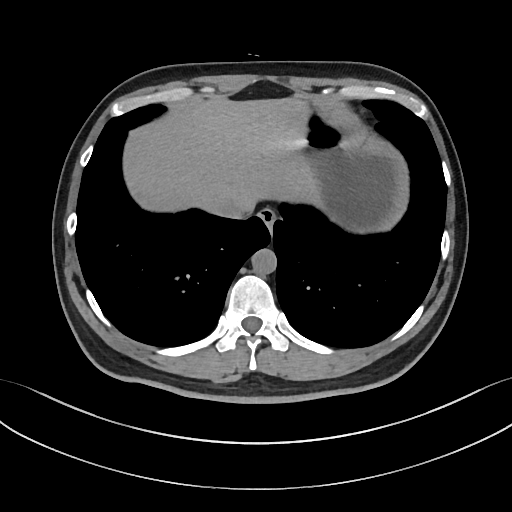
CT, abdomen/pelvis — axial view
<organs><organ name="liver" x1="123" y1="97" x2="319" y2="211"/><organ name="stomach" x1="303" y1="112" x2="400" y2="231"/><organ name="aorta" x1="251" y1="248" x2="276" y2="274"/><organ name="esophagus" x1="258" y1="208" x2="276" y2="228"/><organ name="inferior vena cava" x1="214" y1="198" x2="254" y2="218"/></organs>